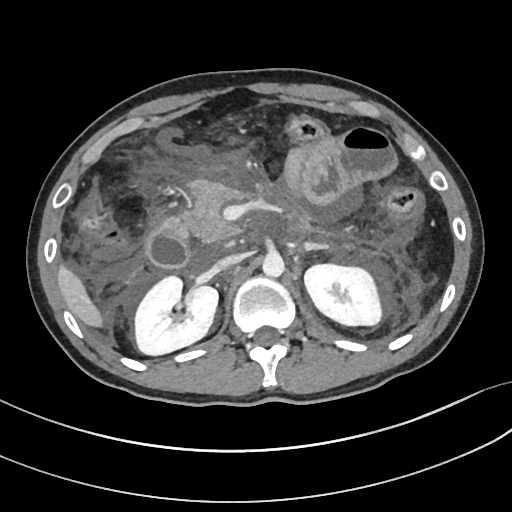

CT abdomen · Axial slice 162/251 · soft-tissue window (W 400 / L 40) · 512x512 px · scan has 15 labeled organs (a whole-scan count: organs this slice does not pass through have no box)
Box edges are left/top/right/bottom in pixels.
Organ bounding boxes:
- inferior vena cava: left=213, top=254, right=243, bottom=271
- aorta: left=262, top=253, right=284, bottom=277
- pancreas: left=182, top=181, right=238, bottom=242
- liver: left=57, top=264, right=103, bottom=327
- left adrenal gland: left=305, top=242, right=327, bottom=249
- duodenum: left=146, top=218, right=189, bottom=267
- left kidney: left=304, top=264, right=381, bottom=325
- right kidney: left=135, top=276, right=218, bottom=355